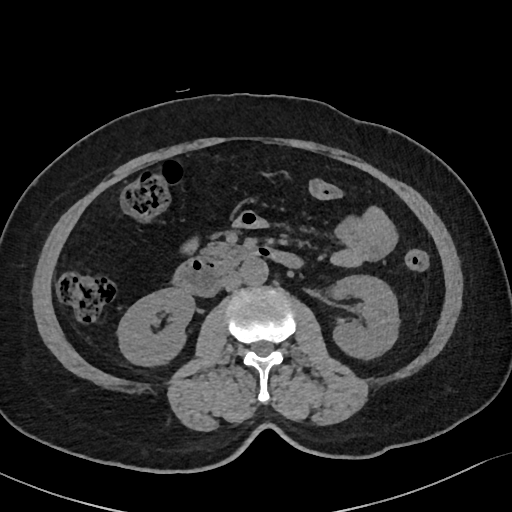

Abdominal CT. axial view
<organs><organ name="right kidney" x1="117" y1="288" x2="194" y2="365"/><organ name="left kidney" x1="330" y1="275" x2="399" y2="358"/><organ name="aorta" x1="241" y1="258" x2="268" y2="285"/><organ name="inferior vena cava" x1="223" y1="272" x2="243" y2="290"/><organ name="pancreas" x1="203" y1="242" x2="247" y2="265"/><organ name="duodenum" x1="173" y1="246" x2="302" y2="296"/></organs>